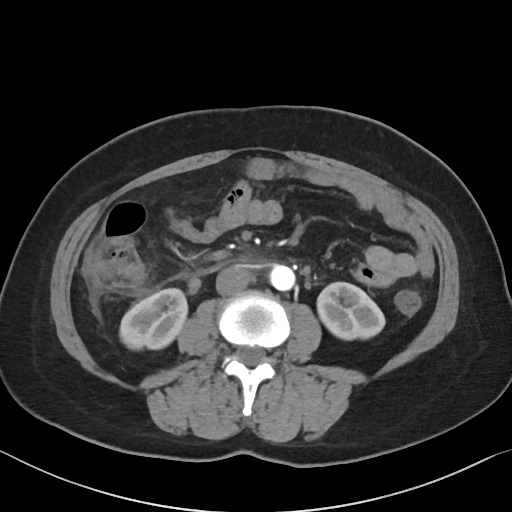
Computed tomography, abdomen — axial view
Bounding boxes in pixels, one row per box: x1, y1 is the top-left corner and x2, y2 the bottom-right.
| organ | x1 | y1 | x2 | y2 |
|---|---|---|---|---|
| right kidney | 119 | 288 | 187 | 349 |
| inferior vena cava | 216 | 264 | 251 | 295 |
| left kidney | 317 | 282 | 384 | 339 |
| aorta | 270 | 265 | 295 | 290 |